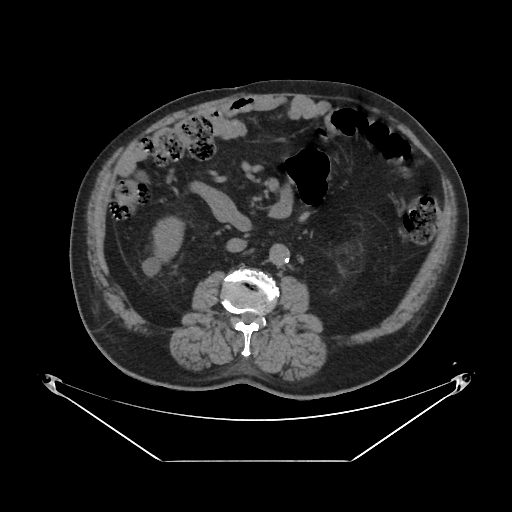

Computed tomography, abdomen · axial view · 15 organs annotated in this scan (that count is for the whole scan; organs this slice misses have no box)
One row per box, in pixels: columns x1 and y1 give the top-left corner, x2 and y2 the bottom-right.
| organ | x1 | y1 | x2 | y2 |
|---|---|---|---|---|
| right kidney | 154 | 218 | 182 | 259 |
| aorta | 269 | 243 | 289 | 264 |
| inferior vena cava | 227 | 238 | 247 | 252 |
| duodenum | 194 | 181 | 250 | 230 |